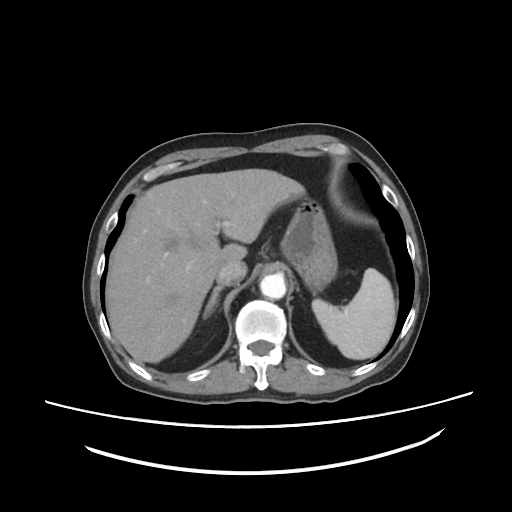
CT abdomen. axial view. 512x512 px
Each box given as x1,y1,x2,y2.
spleen: x1=312, y1=268, x2=395, y2=359
liver: x1=106, y1=168, x2=305, y2=362
stomach: x1=280, y1=198, x2=337, y2=292
aorta: x1=260, y1=274, x2=286, y2=299
inferior vena cava: x1=215, y1=262, x2=246, y2=286
right adrenal gland: x1=203, y1=286, x2=222, y2=317